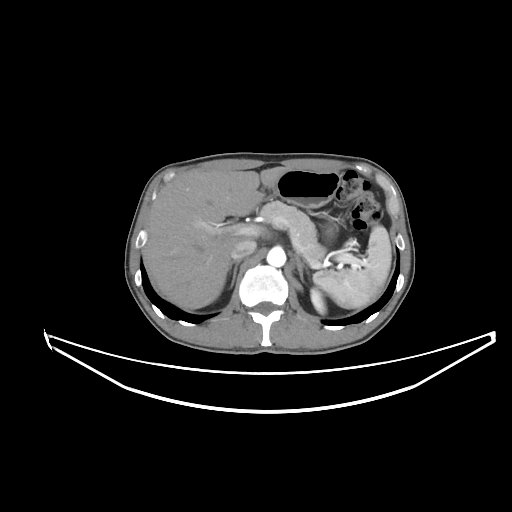

CT abdomen — Axial slice 69/134 — abdomen soft-tissue window — 52-year-old male patient — acquired on Aquilion ONE — scan has 15 labeled organs (a whole-scan count: organs this slice does not pass through have no box)
Boxes are (x1, y1, x2, y2) in pixels.
Organ bounding boxes:
- spleen: (313, 225, 391, 308)
- left kidney: (310, 287, 326, 314)
- liver: (147, 166, 290, 309)
- stomach: (275, 169, 340, 208)
- aorta: (266, 247, 285, 266)
- inferior vena cava: (231, 239, 256, 259)
- pancreas: (259, 201, 325, 261)
- right adrenal gland: (228, 260, 240, 288)
- left adrenal gland: (294, 253, 307, 282)